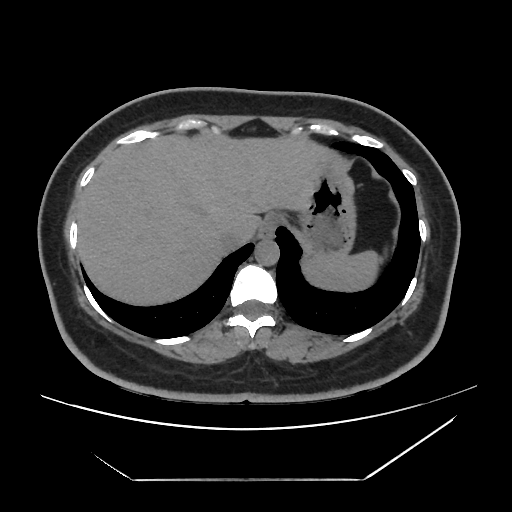
CT abdomen; Axial slice 282/345; 512x512 px; SOMATOM Force scanner; 15 organs annotated in this scan (that count is for the whole scan; organs this slice misses have no box)
Bounding boxes in pixels, one row per box: x1, y1 is the top-left corner and x2, y2 the bottom-right.
| organ | x1 | y1 | x2 | y2 |
|---|---|---|---|---|
| stomach | 298 | 166 | 355 | 256 |
| inferior vena cava | 221 | 223 | 256 | 248 |
| spleen | 302 | 250 | 377 | 290 |
| liver | 78 | 135 | 350 | 303 |
| aorta | 254 | 240 | 279 | 265 |
| esophagus | 258 | 215 | 277 | 239 |